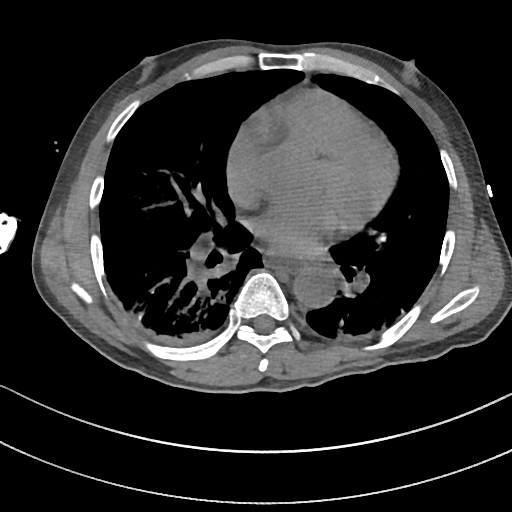 Lower-chest slice from an abdominal CT, just above the liver and spleen; axial view; soft-tissue window, W/L 400/40; scan has 15 labeled organs (that count is for the whole scan; organs this slice misses have no box)
Of the structures in the chest, this dataset labels only the esophagus, the aorta and the inferior vena cava; the heart and lungs have no label.
<organs><organ name="esophagus" x1="265" y1="256" x2="307" y2="273"/><organ name="aorta" x1="293" y1="270" x2="333" y2="307"/></organs>